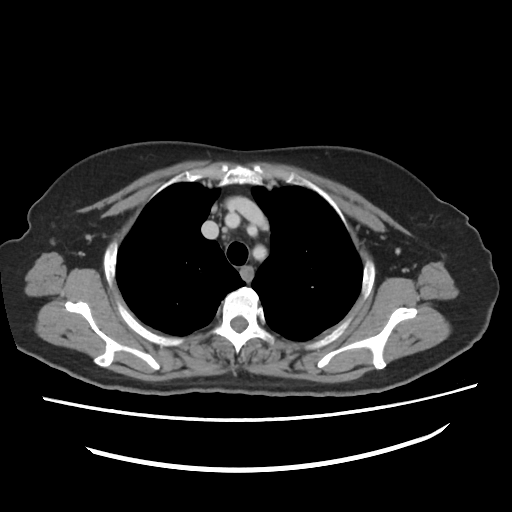 CT of the abdomen extending into the chest, slice through the chest — axial view — soft-tissue window — 512x512 px — 14 organs annotated in this scan (counted over the whole 3D scan, not this slice; an organ is boxed only where this slice passes through it)
At this level of the chest no structure but the esophagus and the aorta has a label in this dataset, and those two are boxed only where they are labeled. Each box given as x1,y1,x2,y2. 1 labeled organ on this slice — esophagus at x1=240, y1=268, x2=253, y2=280.